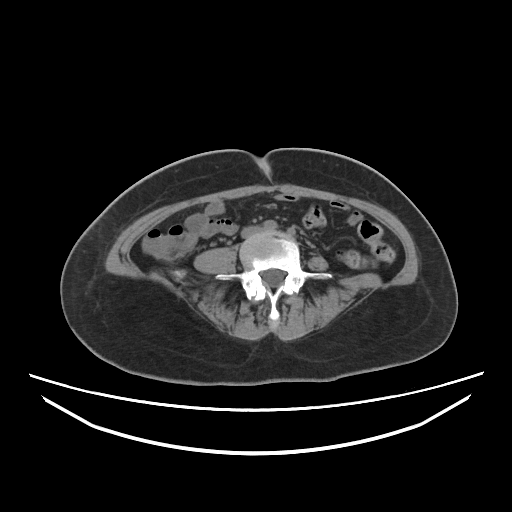 CT, abdomen/pelvis. axial view. 49-year-old female patient
Boxes: x1 y1 x2 y2 (pixel coords, space-separated). The annotated organs in this slice are: inferior vena cava at 241 227 258 237.